Computed tomography, abdomen — axial view — scan has 15 labeled organs (counted over the whole 3D scan, not this slice; an organ is boxed only where this slice passes through it)
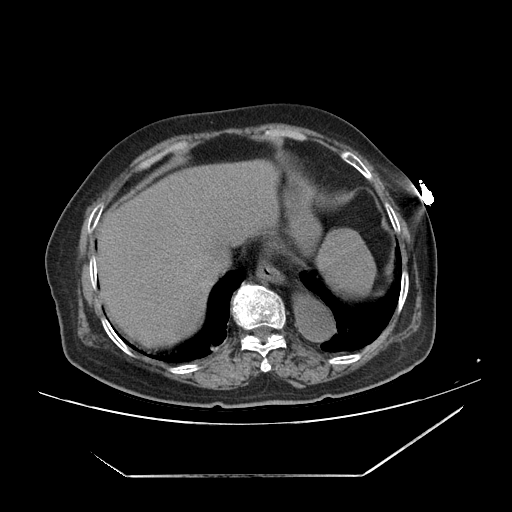

<organs><organ name="spleen" x1="316" y1="228" x2="376" y2="296"/><organ name="esophagus" x1="256" y1="261" x2="283" y2="282"/><organ name="liver" x1="96" y1="159" x2="312" y2="347"/><organ name="stomach" x1="269" y1="187" x2="321" y2="254"/><organ name="aorta" x1="294" y1="295" x2="334" y2="341"/><organ name="inferior vena cava" x1="205" y1="245" x2="232" y2="274"/></organs>